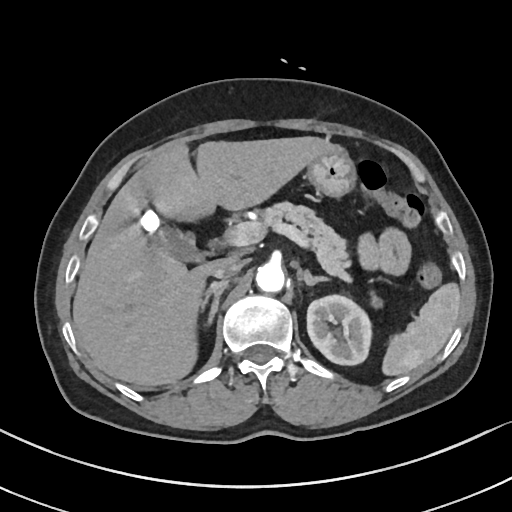
CT abdomen · axial view · scan has 15 labeled organs (that count is for the whole scan; organs this slice misses have no box)
Coordinates as <box>x1,y1,x2,y2</box> in pixels. Labeled organs on this slice: spleen at <box>382,282,460,375</box>, left kidney at <box>307,294,371,365</box>, gall bladder at <box>142,209,203,261</box>, liver at <box>73,136,335,385</box>, stomach at <box>306,147,355,197</box>, aorta at <box>256,262,285,292</box>, inferior vena cava at <box>212,259,243,278</box>, pancreas at <box>260,201,382,307</box>, right adrenal gland at <box>199,280,229,325</box>, left adrenal gland at <box>301,270,327,285</box>.